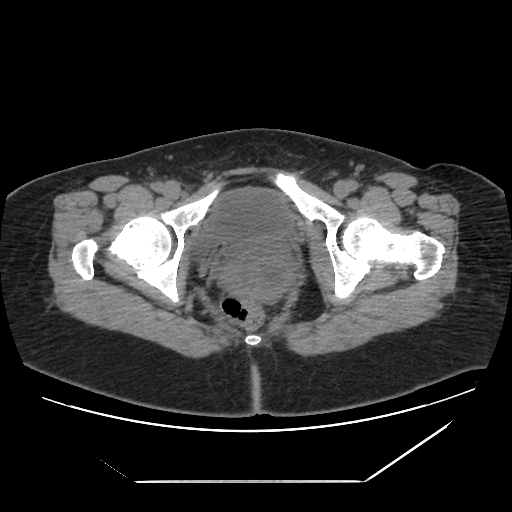

CT, abdomen/pelvis · axial view · soft-tissue window (W 400 / L 40) · 512x512 px · scan has 15 labeled organs (a whole-scan count: organs this slice does not pass through have no box)
Organ boxes in pixel coordinates; each row gives the top-left (x1, y1) and bottom-right (x2, y2) corners.
| organ | x1 | y1 | x2 | y2 |
|---|---|---|---|---|
| bladder | 195 | 188 | 292 | 252 |